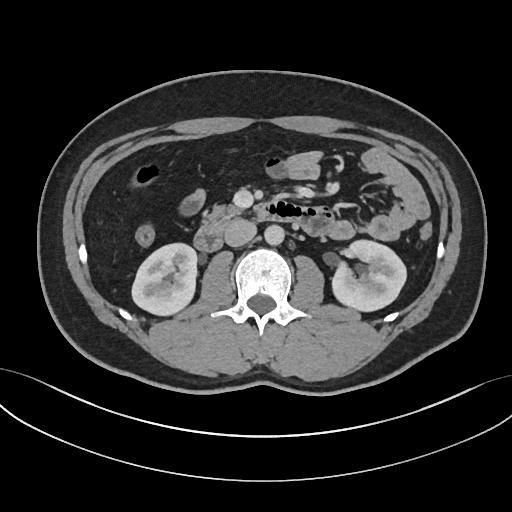

CT, abdomen/pelvis. axial view. SOMATOM Force scanner. scan has 15 labeled organs (a whole-scan count: organs this slice does not pass through have no box)
Coordinates as <box>x1,y1,x2,y2</box> in pixels.
Organ bounding boxes:
- inferior vena cava: <box>224,219,256,246</box>
- aorta: <box>264,224,284,244</box>
- pancreas: <box>208,205,240,217</box>
- left kidney: <box>333,239,406,311</box>
- right kidney: <box>132,243,196,314</box>
- duodenum: <box>195,200,333,250</box>